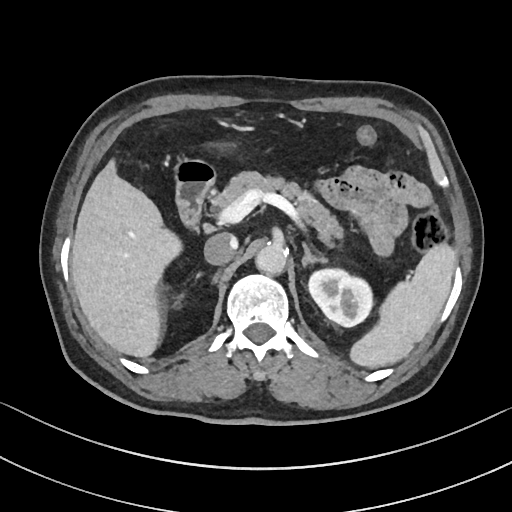 CT abdomen; axial view; 512x512 px
Bounding boxes as [x1, y1, x2, y2] in pixel coordinates.
left adrenal gland: [301, 241, 327, 265]
aorta: [255, 242, 287, 274]
pancreas: [211, 171, 342, 243]
inferior vena cava: [204, 232, 238, 264]
left kidney: [307, 266, 373, 326]
spleen: [351, 245, 455, 367]
liver: [71, 160, 179, 356]
duodenum: [175, 161, 215, 226]